CT, abdomen/pelvis; axial plane, index 56
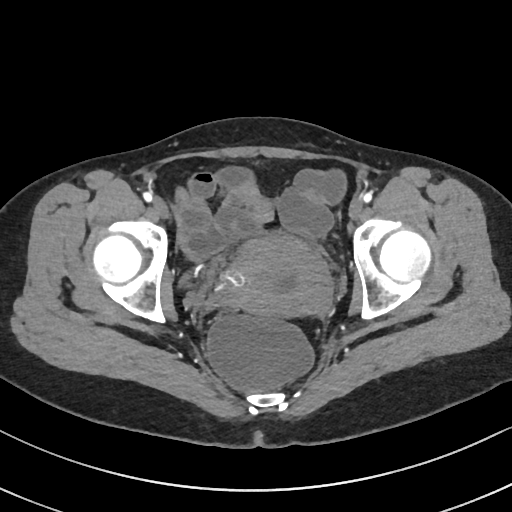 {"organs":{"prostate/uterus":[228,235,331,314]}}